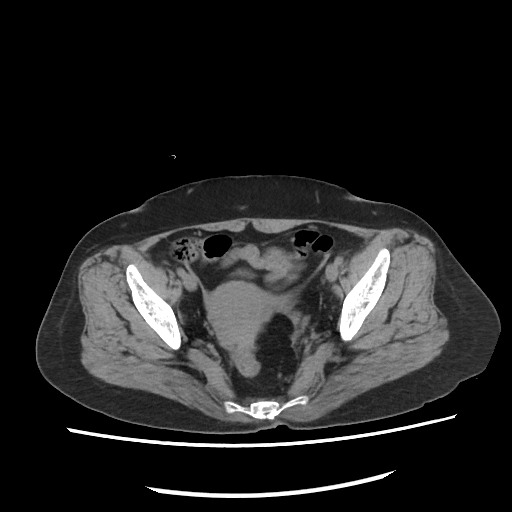

CT, abdomen/pelvis. axial view. soft-tissue window (W 400 / L 40). 512x512 px. 15 organs annotated in this scan (that count is for the whole scan; organs this slice misses have no box)
{"organs":{"prostate/uterus":[206,283,271,344]}}